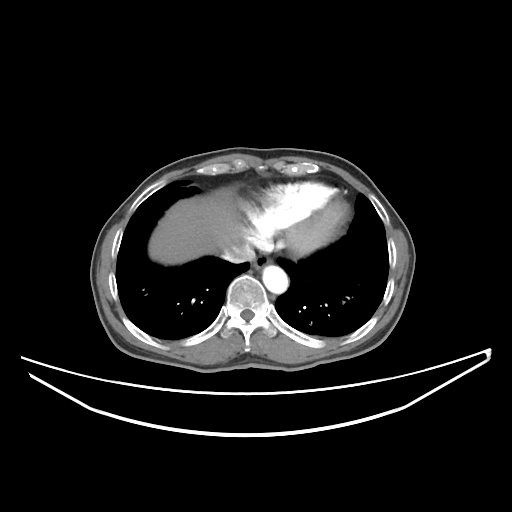

Abdominal CT. axial view. 512x512 px. 62-year-old male patient
{"organs":{"esophagus":[253,255,270,270],"inferior vena cava":[221,245,254,263],"aorta":[262,265,288,293],"liver":[148,196,237,264]}}